Computed tomography, abdomen. axial view
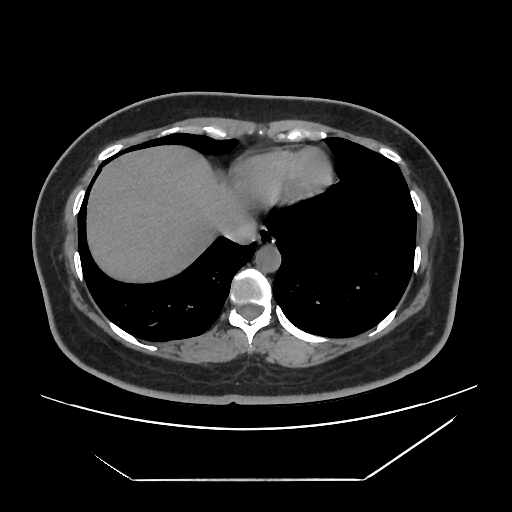

<organs><organ name="esophagus" x1="257" y1="228" x2="274" y2="245"/><organ name="liver" x1="88" y1="147" x2="242" y2="282"/><organ name="aorta" x1="256" y1="245" x2="280" y2="272"/><organ name="inferior vena cava" x1="220" y1="216" x2="256" y2="244"/></organs>